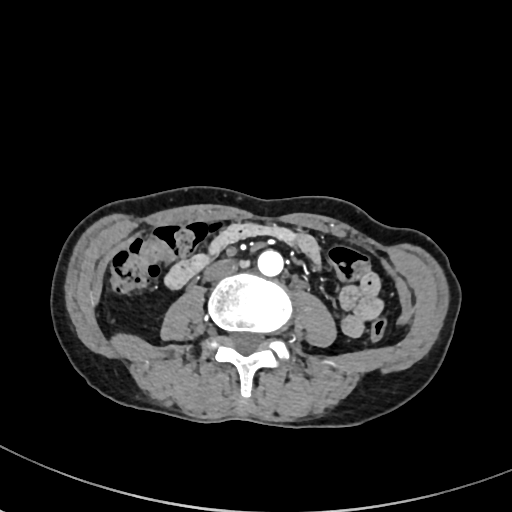
CT abdomen · axial view
Each box given as x1,y1,x2,y2. 2 labeled organs on this slice — aorta at x1=257, y1=249, x2=283, y2=275; inferior vena cava at x1=204, y1=260, x2=238, y2=280.